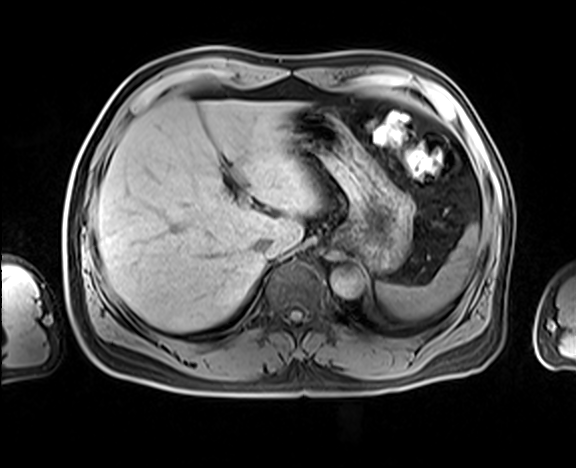
Abdominal MR; axial view; percentile-normalized; 576x468 px; Prisma scanner
Bounding boxes in pixels, one row per box: x1, y1 is the top-left corner and x2, y2 the bottom-right.
| organ | x1 | y1 | x2 | y2 |
|---|---|---|---|---|
| stomach | 286 | 107 | 414 | 271 |
| spleen | 376 | 224 | 478 | 320 |
| inferior vena cava | 253 | 237 | 271 | 254 |
| aorta | 331 | 269 | 362 | 297 |
| liver | 96 | 98 | 320 | 331 |